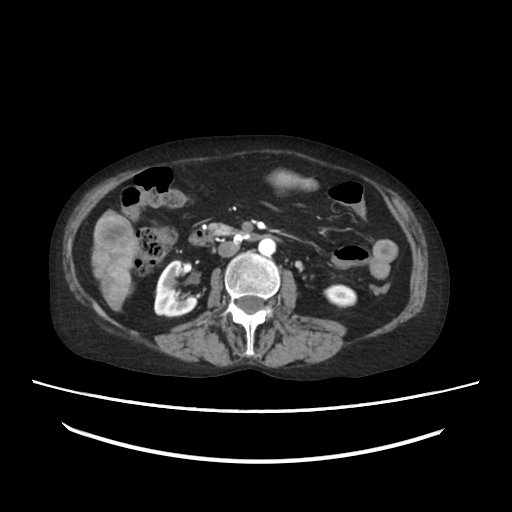
Abdominal CT. axial view. soft-tissue window (W 400 / L 40)
<organs><organ name="right kidney" x1="154" y1="261" x2="196" y2="316"/><organ name="left kidney" x1="326" y1="284" x2="355" y2="306"/><organ name="liver" x1="92" y1="169" x2="317" y2="310"/><organ name="aorta" x1="258" y1="238" x2="275" y2="254"/><organ name="inferior vena cava" x1="218" y1="241" x2="241" y2="255"/><organ name="pancreas" x1="207" y1="222" x2="240" y2="233"/><organ name="duodenum" x1="188" y1="230" x2="281" y2="245"/></organs>